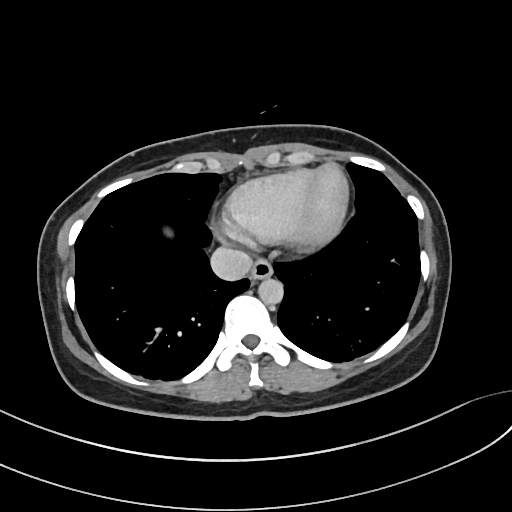 CT of the abdomen reaching into the lower chest, slice just above the liver and spleen; axial plane, index 205; soft-tissue window, W/L 400/40
No part of the heart or lungs is labeled in this dataset, so neither has a box here.
<organs><organ name="esophagus" x1="251" y1="258" x2="273" y2="279"/><organ name="aorta" x1="258" y1="277" x2="283" y2="304"/><organ name="inferior vena cava" x1="210" y1="247" x2="252" y2="280"/></organs>